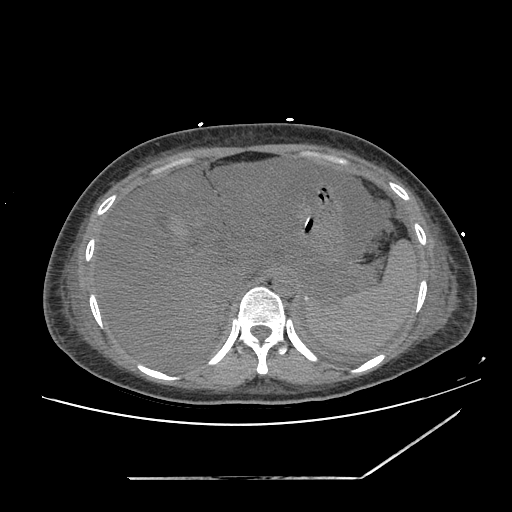
CT, abdomen/pelvis — axial view — abdomen soft-tissue window — 512x512 px
Box edges are left/top/right/bottom in pixels. Labeled organs on this slice: spleen at left=304, top=240, right=417, bottom=354, gall bladder at left=167, top=213, right=189, bottom=241, liver at left=93, top=159, right=307, bottom=371, stomach at left=287, top=181, right=344, bottom=297, aorta at left=272, top=272, right=297, bottom=297, inferior vena cava at left=223, top=270, right=254, bottom=301.